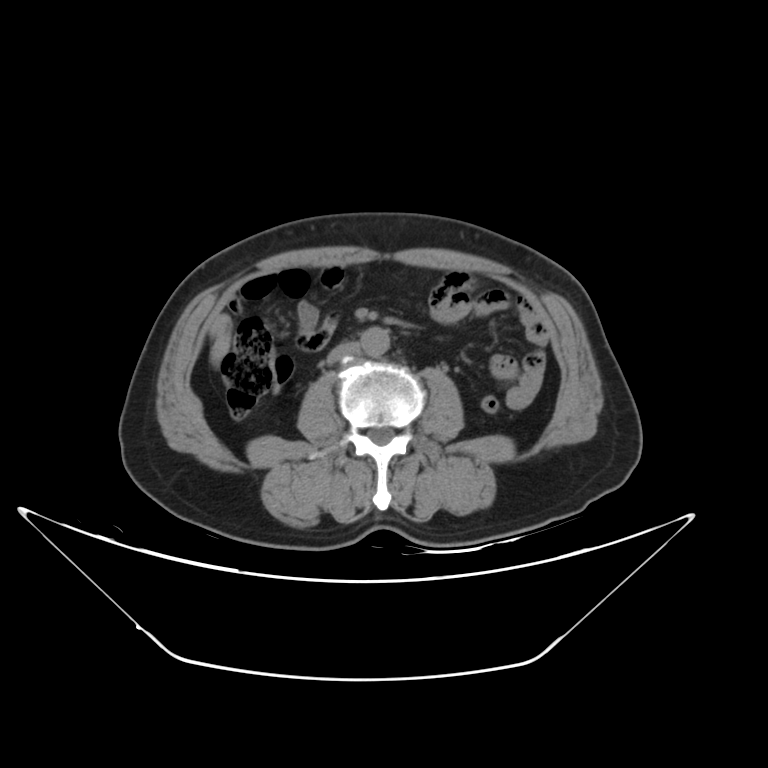 CT abdomen; axial view; 768x768 px
{"organs":{"aorta":[361,328,390,354],"inferior vena cava":[327,343,360,362]}}